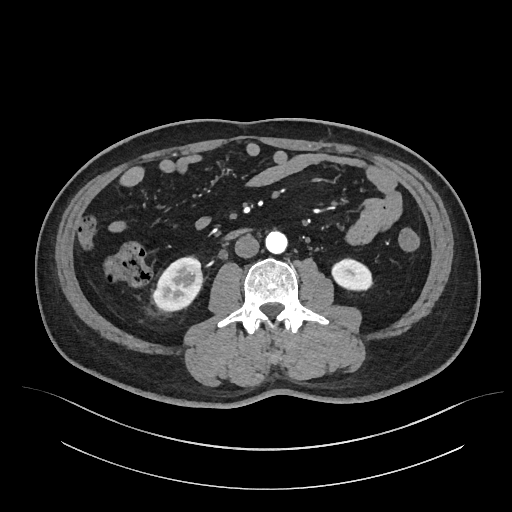
CT, abdomen/pelvis. axial view. W/L 400/40 HU. 512x512 px. SOMATOM Force scanner. scan has 15 labeled organs (that count is for the whole scan; organs this slice misses have no box)
{"organs":{"aorta":[266,231,287,254],"right kidney":[151,256,203,313],"duodenum":[222,228,253,240],"inferior vena cava":[234,235,259,258],"left kidney":[330,258,373,292]}}